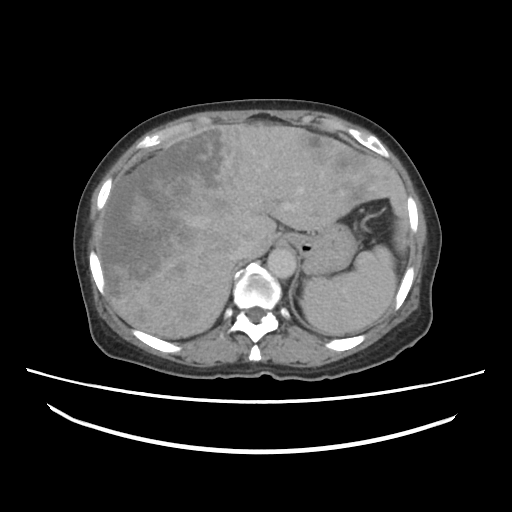

Computed tomography, abdomen. axial view. 512x512 px
{"organs":{"inferior vena cava":[230,245,246,260],"aorta":[268,248,296,277],"spleen":[301,244,398,335],"stomach":[280,221,356,277],"liver":[99,125,409,337]}}